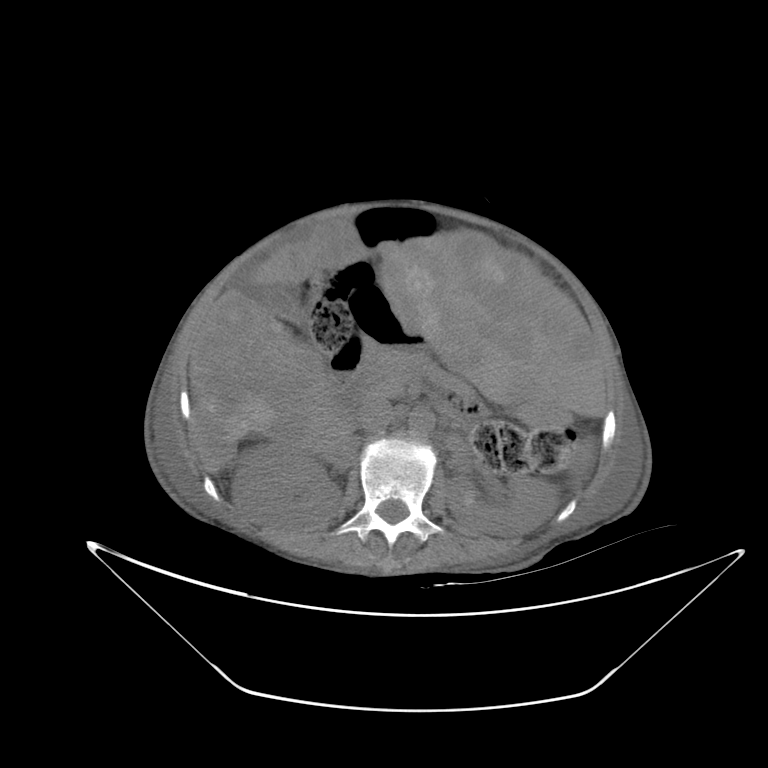

Abdominal CT · Axial slice 67/108 · 56-year-old male patient
Each box given as x1,y1,x2,y2.
Organ bounding boxes:
- pancreas: x1=364, y1=348, x2=463, y2=396
- right kidney: x1=232, y1=442, x2=340, y2=527
- left kidney: x1=447, y1=476, x2=558, y2=537
- aorta: x1=408, y1=407, x2=435, y2=435
- duodenum: x1=328, y1=346, x2=480, y2=419
- inferior vena cava: x1=356, y1=395, x2=394, y2=432
- gall bladder: x1=245, y1=285, x2=312, y2=326
- liver: x1=189, y1=219, x2=606, y2=472
- stomach: x1=350, y1=283, x2=571, y2=425